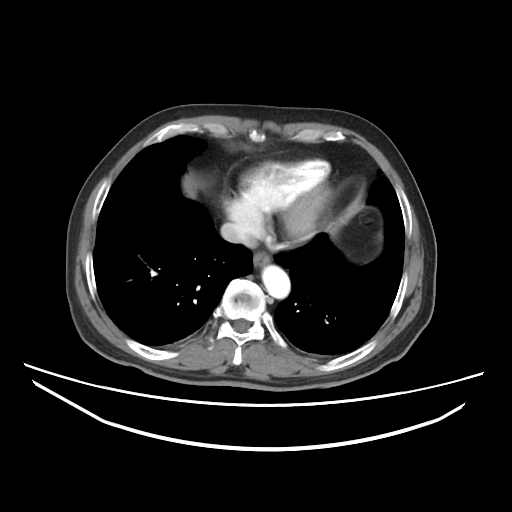

CT abdomen; axial view
{"organs":{"esophagus":[253,252,271,268],"liver":[185,183,193,195],"aorta":[262,265,290,298],"inferior vena cava":[220,222,256,247]}}